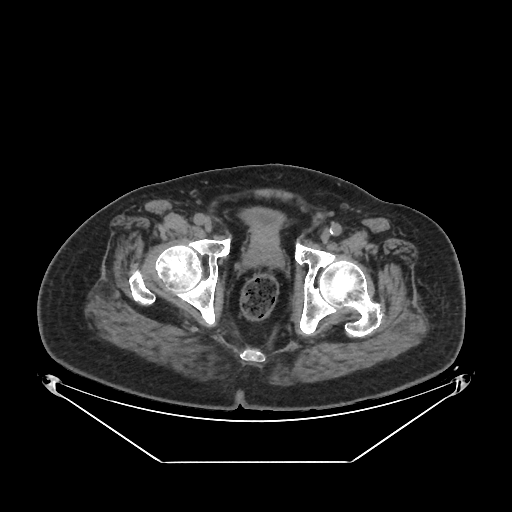
CT, abdomen/pelvis — axial view — soft-tissue window
Boxes: x1:y1:x2:y2 in pixels.
bladder: 242:207:285:240
prostate/uterus: 247:238:281:264